Chest-level slice from an abdominal CT that extends up into the chest — axial view
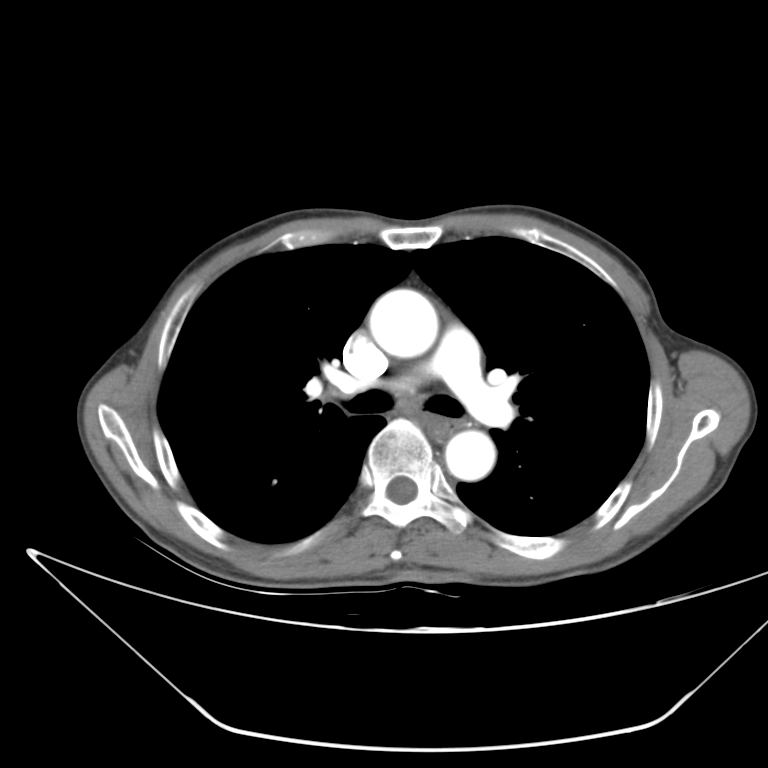

At this level of the chest this dataset labels only the esophagus and the aorta, and each is boxed only where it is labeled; the heart and lungs are never labeled.
{"organs":{"esophagus":[422,415,463,441],"aorta":[[369,289,438,357],[445,430,495,480]]}}